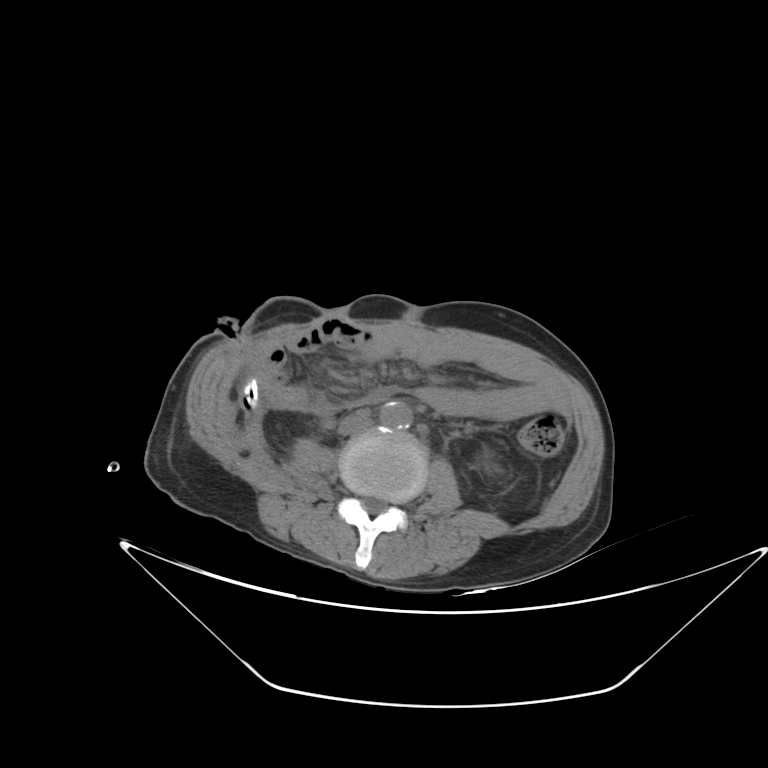 Abdominal CT; axial view; 768x768 px; 56-year-old male patient
Boxes: x1:y1:x2:y2 in pixels. The annotated organs in this slice are: aorta at 380:401:412:429, inferior vena cava at 338:410:372:435.